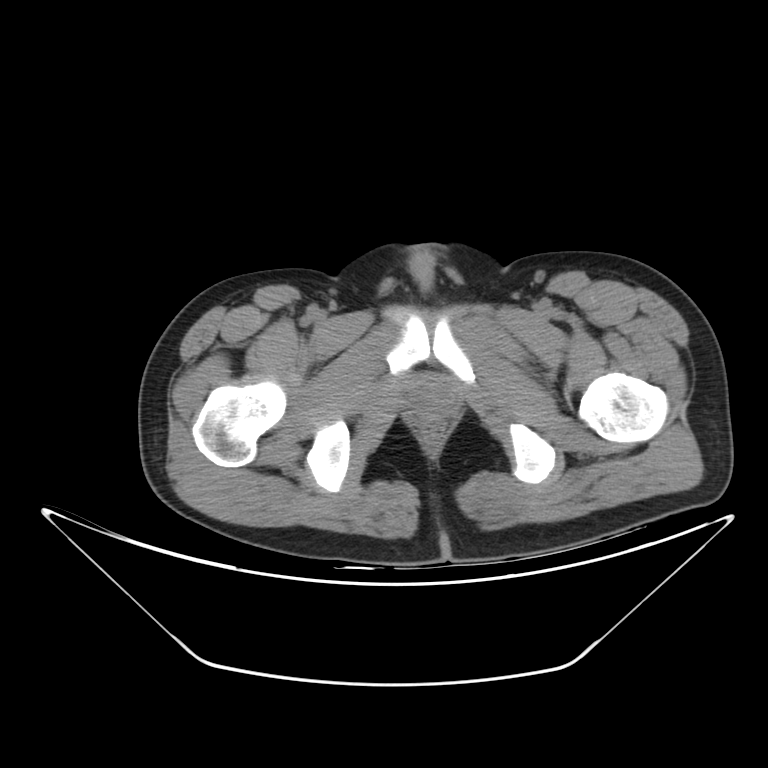 CT abdomen — axial view — W/L 400/40 HU — 768x768 px — acquired on Brilliance16 — scan has 15 labeled organs (a whole-scan count: organs this slice does not pass through have no box)
Box edges are left/top/right/bottom in pixels.
Organ bounding boxes:
- prostate/uterus: left=408, top=382, right=453, bottom=412